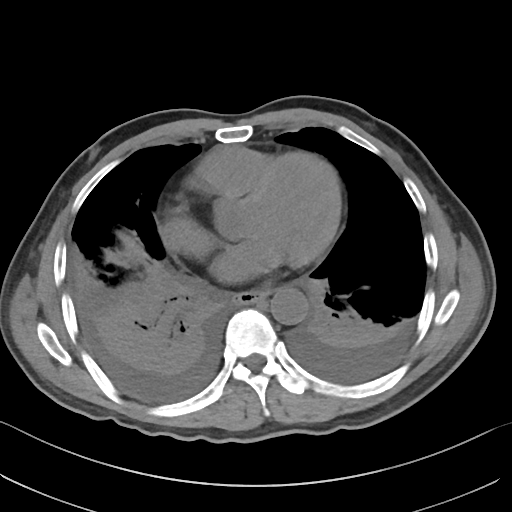

Lower-chest slice from an abdominal CT, just above the liver and spleen — axial view — soft-tissue window — SOMATOM Force scanner
Of the structures in the chest, this dataset labels only the esophagus, the aorta and the inferior vena cava; the heart and lungs have no label. Boxes: x1:y1:x2:y2 in pixels. The annotated organs in this slice are: aorta at 270:287:308:324, esophagus at 235:289:268:303.